Abdominal MR; coronal view; percentile-normalized; 260x320 px; acquired on Prisma; 13 organs annotated in this scan (counted over the whole 3D scan, not this slice; an organ is boxed only where this slice passes through it)
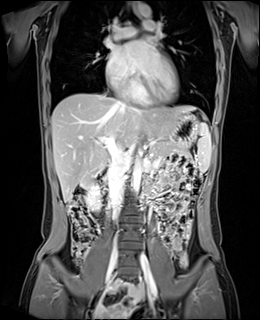
Boxes are (x1, y1, x2, y2) in pixels.
spleen: (197, 116, 211, 172)
right kidney: (85, 182, 100, 210)
gall bladder: (81, 176, 92, 188)
esophagus: (132, 2, 139, 12)
liver: (51, 93, 196, 202)
stomach: (174, 113, 199, 145)
aorta: (132, 159, 141, 193)
aorta: (138, 3, 151, 17)
inferior vena cava: (108, 153, 129, 218)
inferior vena cava: (115, 93, 127, 106)
inferior vena cava: (115, 142, 126, 151)
pancreas: (153, 141, 190, 155)
duodenum: (96, 169, 108, 204)